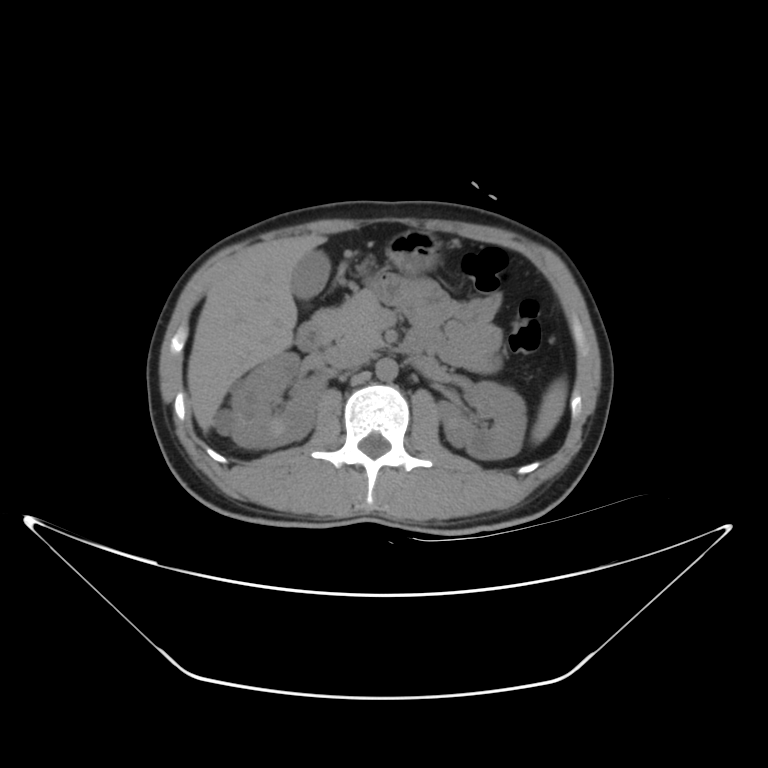

CT abdomen · Axial slice 64/90 · soft-tissue window (W 400 / L 40)
<organs><organ name="liver" x1="188" y1="234" x2="327" y2="431"/><organ name="inferior vena cava" x1="323" y1="346" x2="373" y2="368"/><organ name="spleen" x1="532" y1="379" x2="567" y2="444"/><organ name="aorta" x1="373" y1="359" x2="402" y2="382"/><organ name="stomach" x1="387" y1="228" x2="444" y2="271"/><organ name="gall bladder" x1="287" y1="251" x2="330" y2="299"/><organ name="duodenum" x1="296" y1="313" x2="440" y2="353"/><organ name="pancreas" x1="329" y1="291" x2="385" y2="347"/><organ name="right kidney" x1="214" y1="352" x2="316" y2="449"/><organ name="left kidney" x1="439" y1="380" x2="525" y2="460"/></organs>